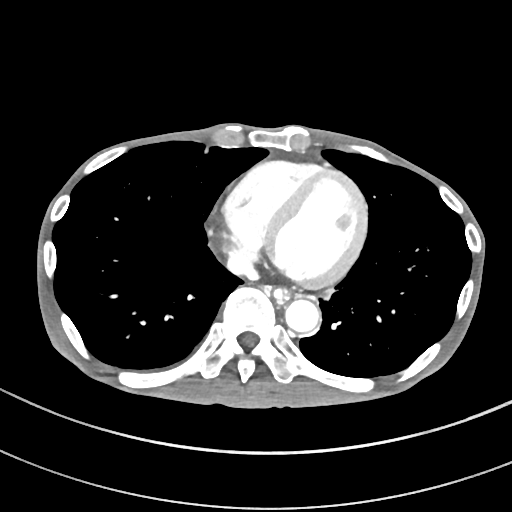
Abdominal CT — axial view
{"organs":{"esophagus":[272,288,289,303],"liver":[321,289,333,298],"aorta":[285,299,319,332],"inferior vena cava":[227,252,257,279]}}